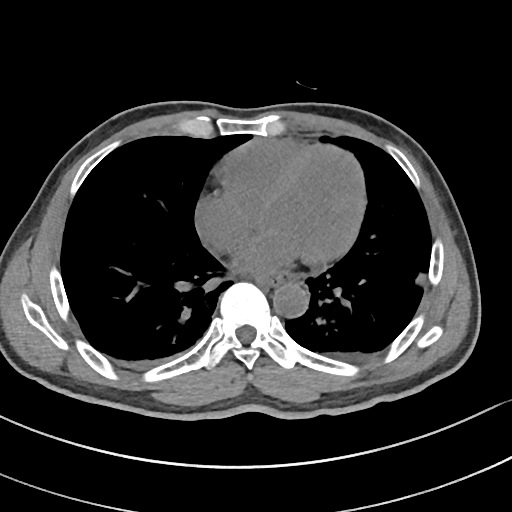

Abdominal CT; this slice is in the lower chest, just above the liver. axial view. acquired on SOMATOM Force. scan has 15 labeled organs (counted over the whole 3D scan, not this slice; an organ is boxed only where this slice passes through it)
No part of the heart or lungs is labeled in this dataset, so neither has a box here. Box edges are left/top/right/bottom in pixels. 2 labeled organs on this slice — esophagus at left=257, top=272, right=298, bottom=285; aorta at left=273, top=282, right=308, bottom=318.